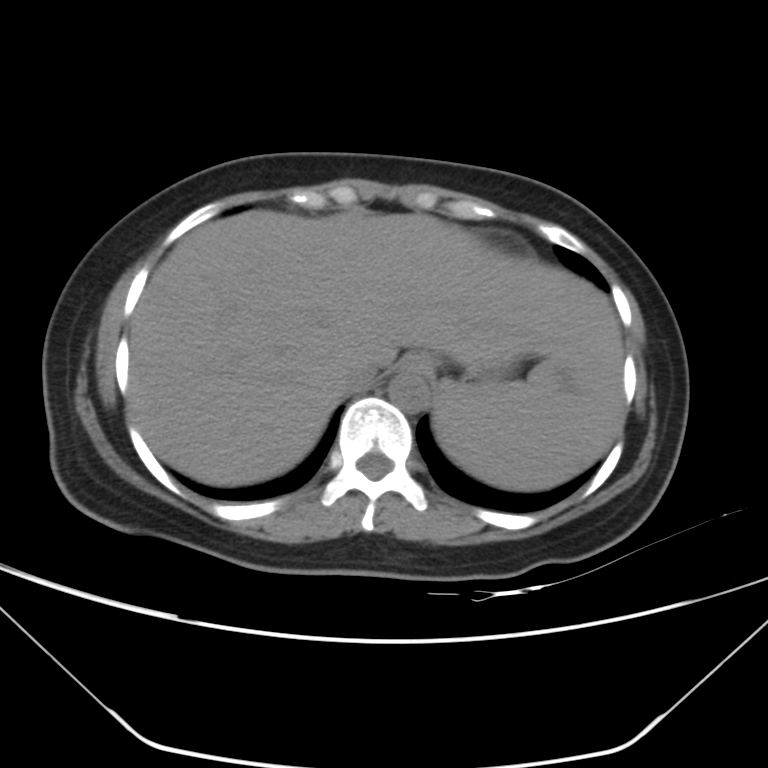 Computed tomography, abdomen — axial view — abdomen soft-tissue window — 32-year-old female patient
Each box given as x1,y1,x2,y2.
spleen: x1=435, y1=360, x2=586, y2=491
esophagus: x1=398, y1=352, x2=437, y2=375
liver: x1=129, y1=210, x2=623, y2=484
stomach: x1=458, y1=359, x2=517, y2=385
aorta: x1=387, y1=370, x2=429, y2=412
inferior vena cava: x1=340, y1=354, x2=378, y2=390